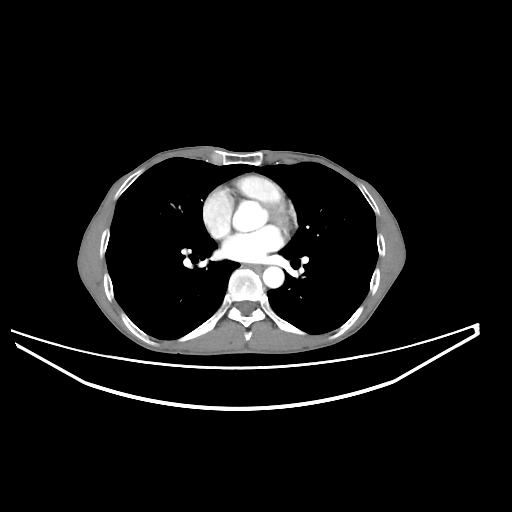 CT of the abdomen extending into the chest, slice through the chest — axial view — soft-tissue window, W/L 400/40 — Aquilion ONE scanner
At this level of the chest no structure but the esophagus and the aorta has a label in this dataset, and those two are boxed only where they are labeled.
One row per box, in pixels: columns x1 and y1 give the top-left corner, x2 and y2 the bottom-right.
| organ | x1 | y1 | x2 | y2 |
|---|---|---|---|---|
| esophagus | 250 | 264 | 263 | 271 |
| aorta | 263 | 266 | 284 | 287 |
| aorta | 254 | 216 | 264 | 227 |